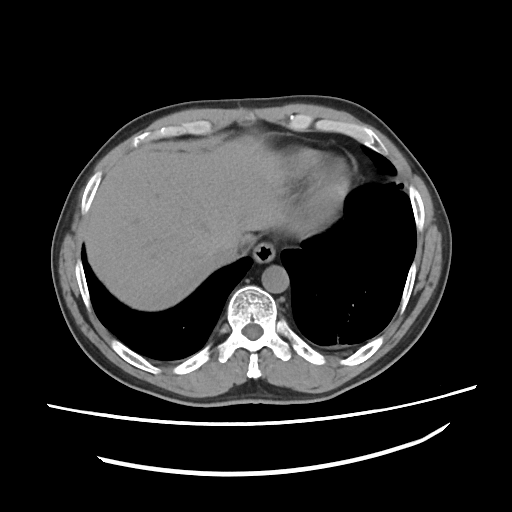 CT abdomen — Axial slice 84/92 — soft-tissue window (W 400 / L 40) — 15 organs annotated in this scan (a whole-scan count: organs this slice does not pass through have no box)
Bounding boxes in pixels, one row per box: x1, y1 is the top-left corner and x2, y2 the bottom-right.
| organ | x1 | y1 | x2 | y2 |
|---|---|---|---|---|
| aorta | 262 | 265 | 288 | 293 |
| liver | 84 | 137 | 305 | 310 |
| esophagus | 253 | 242 | 275 | 262 |
| inferior vena cava | 211 | 245 | 238 | 265 |